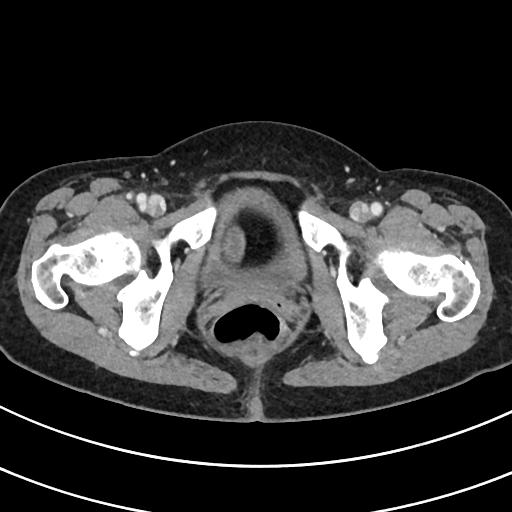 CT, abdomen/pelvis — Axial slice 12/192
Coordinates as <box>x1,y1,x2,y2</box> in pixels.
Organ bounding boxes:
- bladder: <box>201,190,303,288</box>